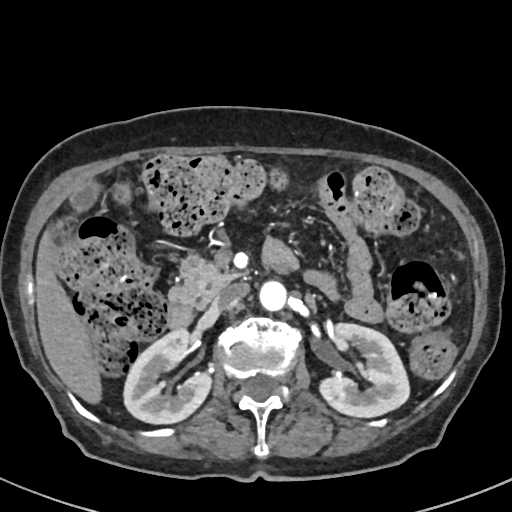 Computed tomography, abdomen. axial view
Bounding boxes as [x1, y1, x2, y2] in pixel coordinates.
Organ bounding boxes:
- right kidney: [123, 329, 210, 423]
- left kidney: [319, 322, 409, 416]
- gall bladder: [70, 183, 98, 210]
- liver: [36, 229, 99, 401]
- aorta: [258, 279, 286, 310]
- inferior vena cava: [213, 283, 248, 308]
- pancreas: [169, 257, 239, 304]
- duodenum: [166, 301, 194, 328]